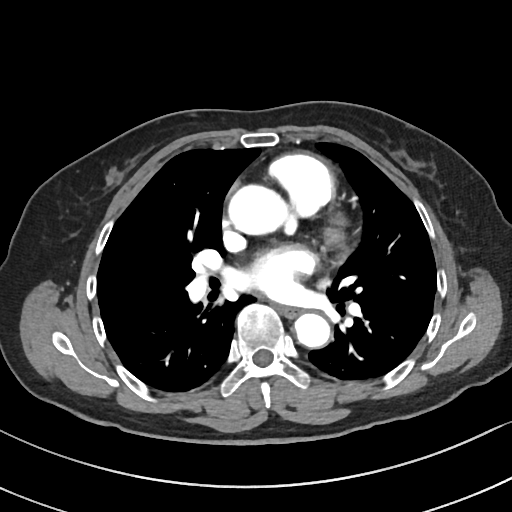

CT of the abdomen reaching into the lower chest, slice just above the liver and spleen; axial plane, index 229; W/L 400/40 HU; 512x512 px
The heart and lungs are never labeled in this dataset, so they have no box on this slice.
{"organs":{"esophagus":[279,306,300,316],"aorta":[[227,183,290,235],[294,313,330,348]]}}